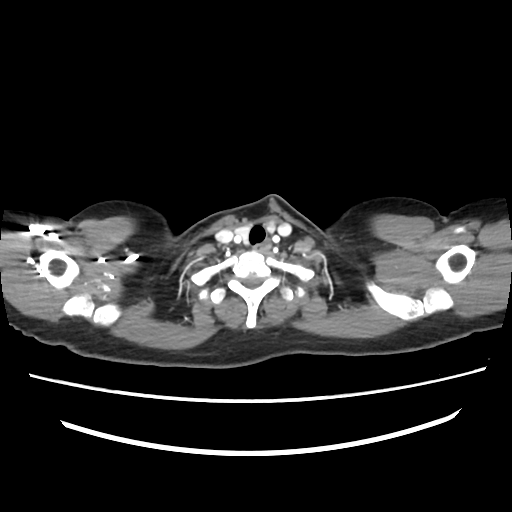 Chest-level slice from an abdominal CT that extends up into the chest — axial plane, index 122 — soft-tissue window, W/L 400/40 — 45-year-old female patient
At this level of the chest this dataset labels only the esophagus and the aorta, and each is boxed only where it is labeled; the heart and lungs are never labeled.
Bounding boxes in pixels, one row per box: x1, y1 is the top-left corner and x2, y2 the bottom-right.
| organ | x1 | y1 | x2 | y2 |
|---|---|---|---|---|
| esophagus | 253 | 240 | 270 | 250 |